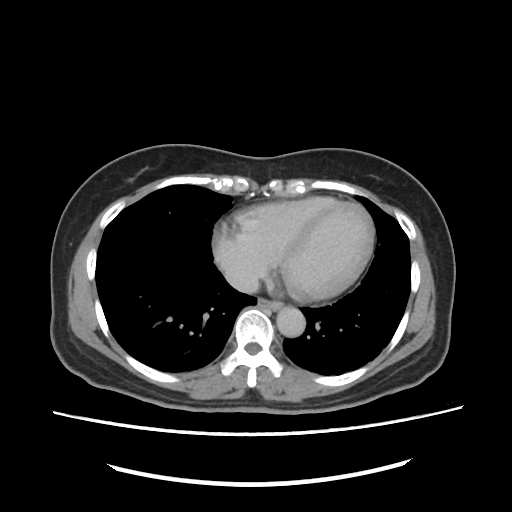
Abdominal CT; this slice is in the lower chest, just above the liver. axial plane, index 84. 512x512 px
Of the structures in the chest, this dataset labels only the esophagus, the aorta and the inferior vena cava; the heart and lungs have no label.
Coordinates as <box>x1,y1,x2,y2</box> in pixels.
inferior vena cava: <box>222,265,259,293</box>
esophagus: <box>257,298,279,310</box>
aorta: <box>276,305,305,337</box>